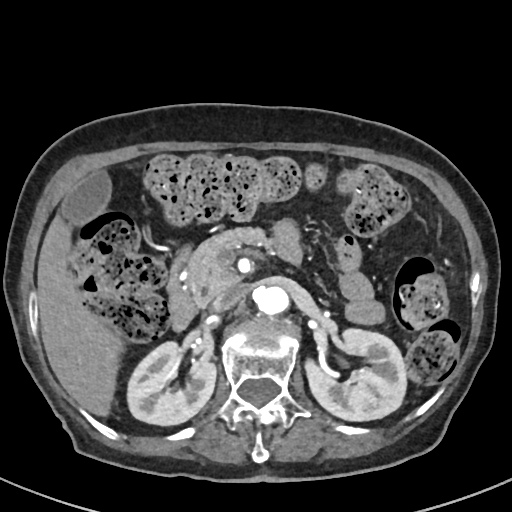
CT abdomen; Axial slice 142/279
{"organs":{"liver":[37,217,119,414],"gall bladder":[62,171,110,224],"right kidney":[125,343,215,424],"aorta":[255,285,290,314],"duodenum":[166,248,196,331],"inferior vena cava":[211,284,245,310],"pancreas":[183,227,276,302],"left kidney":[304,327,407,420]}}